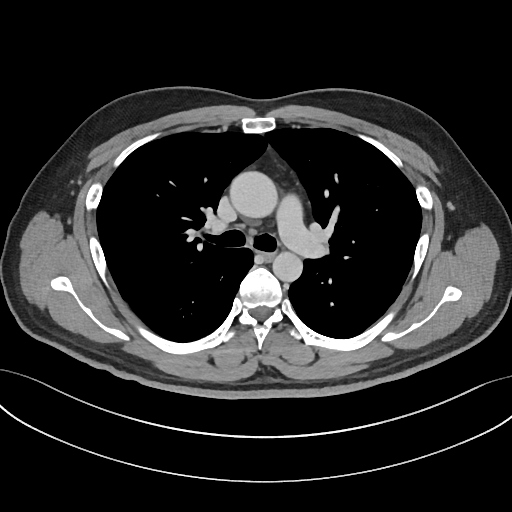
CT of the abdomen extending into the chest, slice through the chest; axial plane, index 289; soft-tissue window, W/L 400/40; scan has 15 labeled organs (a whole-scan count: organs this slice does not pass through have no box)
At this level of the chest this dataset labels only the esophagus and the aorta, and each is boxed only where it is labeled; the heart and lungs are never labeled. Each box given as x1,y1,x2,y2. Labeled organs on this slice: esophagus at x1=262, y1=252, x2=275, y2=260, aorta at x1=229, y1=170, x2=276, y2=217, aorta at x1=272, y1=252, x2=302, y2=282.